Computed tomography, abdomen; Axial slice 158/280; 15 organs annotated in this scan (that count is for the whole scan; organs this slice misses have no box)
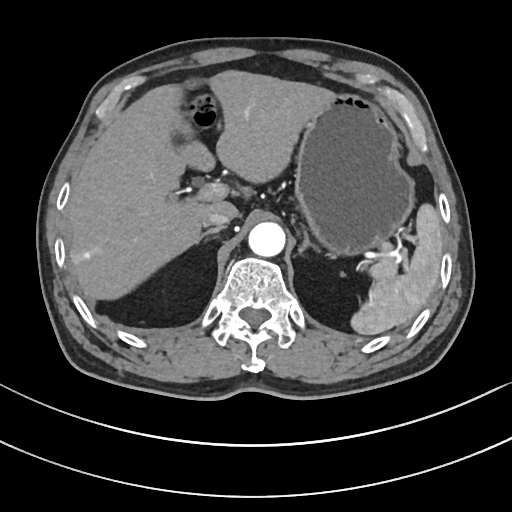

<organs><organ name="aorta" x1="247" y1="223" x2="284" y2="257"/><organ name="inferior vena cava" x1="203" y1="213" x2="230" y2="227"/><organ name="right adrenal gland" x1="196" y1="227" x2="221" y2="245"/><organ name="liver" x1="68" y1="71" x2="333" y2="298"/><organ name="left adrenal gland" x1="299" y1="235" x2="317" y2="252"/><organ name="pancreas" x1="370" y1="256" x2="397" y2="278"/><organ name="stomach" x1="293" y1="96" x2="413" y2="255"/><organ name="spleen" x1="352" y1="205" x2="442" y2="335"/></organs>